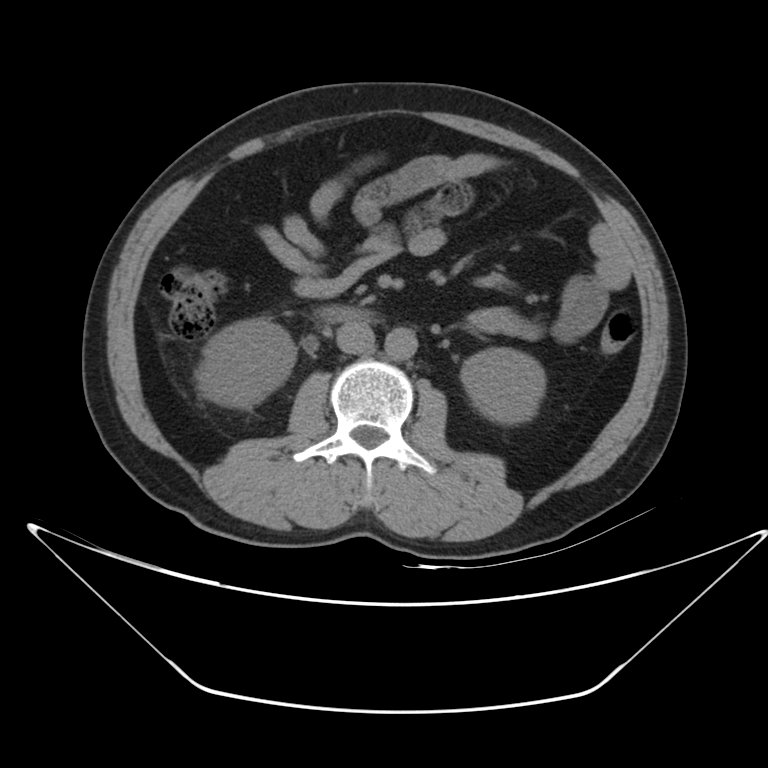

Computed tomography, abdomen. axial view. W/L 400/40 HU. 45-year-old male patient. Brilliance16 scanner. scan has 15 labeled organs (that count is for the whole scan; organs this slice misses have no box)
Bounding boxes in pixels, one row per box: x1, y1 is the top-left corner and x2, y2 the bottom-right.
| organ | x1 | y1 | x2 | y2 |
|---|---|---|---|---|
| right kidney | 195 | 319 | 295 | 407 |
| left kidney | 461 | 348 | 544 | 423 |
| aorta | 384 | 327 | 418 | 361 |
| inferior vena cava | 337 | 320 | 375 | 354 |
| duodenum | 317 | 305 | 366 | 323 |